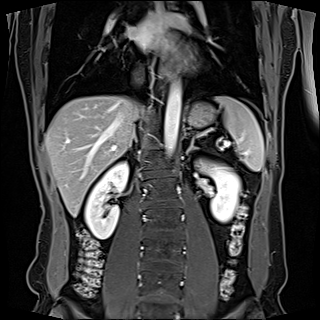
Abdominal MRI — coronal acquisition — 1st–99th percentile window
Each box given as x1,y1,x2,y2.
Organ bounding boxes:
- esophagus: x1=160, y1=55, x2=171, y2=81
- liver: x1=45, y1=95, x2=142, y2=216
- stomach: x1=186, y1=102, x2=215, y2=127
- left adrenal gland: x1=186, y1=139, x2=198, y2=155
- aorta: x1=164, y1=79, x2=181, y2=157
- right kidney: x1=85, y1=162, x2=128, y2=238
- inferior vena cava: x1=132, y1=100, x2=141, y2=116
- spleen: x1=215, y1=96, x2=263, y2=170
- right adrenal gland: x1=129, y1=137, x2=137, y2=147
- left kidney: x1=198, y1=160, x2=240, y2=222